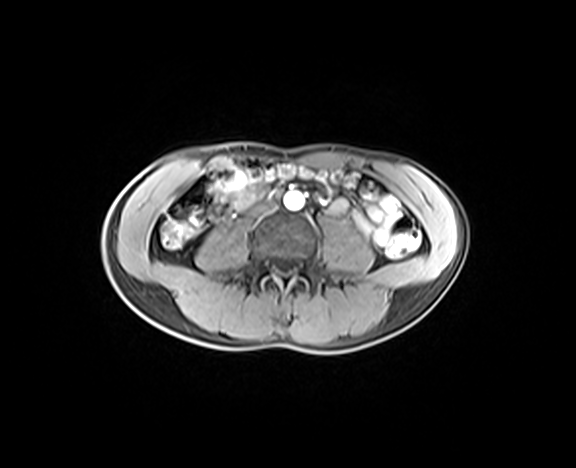
Abdominal MR · axial plane, index 9 · 576x468 px · scan has 13 labeled organs (that count is for the whole scan; organs this slice misses have no box)
Box edges are left/top/right/bottom in pixels.
aorta: left=284, top=192, right=303, bottom=209
inferior vena cava: left=249, top=200, right=276, bottom=215